Computed tomography, abdomen — Axial slice 17/78
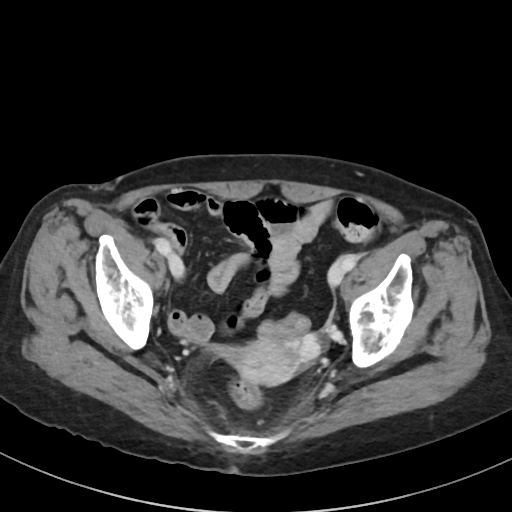
<organs><organ name="prostate/uterus" x1="229" y1="337" x2="299" y2="385"/></organs>